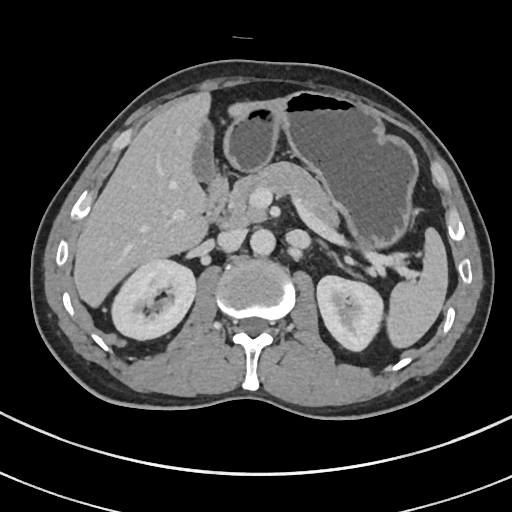

Abdominal CT; axial view; soft-tissue window
Coordinates as <box>x1,y1,x2,y2</box> in pixels.
spleen: <box>386,227,447,346</box>
right kidney: <box>110,259,194,339</box>
left kidney: <box>317,276,384,350</box>
gall bladder: <box>191,117,215,178</box>
liver: <box>74,93,209,305</box>
stomach: <box>207,90,418,248</box>
aorta: <box>250,229,275,254</box>
inferior vena cava: <box>217,228,246,252</box>
pancreas: <box>225,162,339,227</box>
left adrenal gland: <box>319,240,328,247</box>
duodenum: <box>205,183,228,230</box>